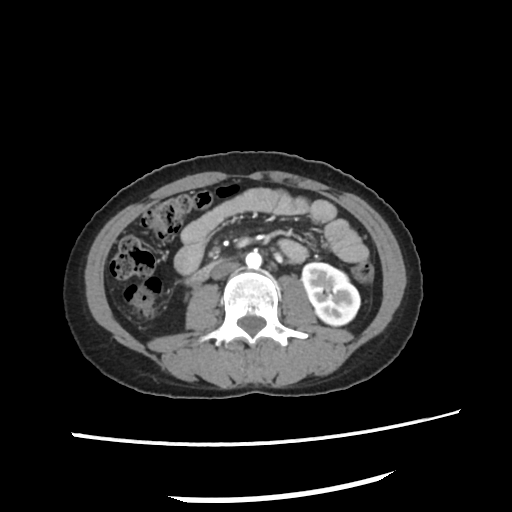 Abdominal CT; Axial slice 52/124; W/L 400/40 HU; 512x512 px
<organs><organ name="left kidney" x1="301" y1="263" x2="360" y2="326"/><organ name="aorta" x1="245" y1="252" x2="261" y2="268"/><organ name="inferior vena cava" x1="211" y1="262" x2="240" y2="279"/><organ name="duodenum" x1="184" y1="259" x2="219" y2="284"/></organs>